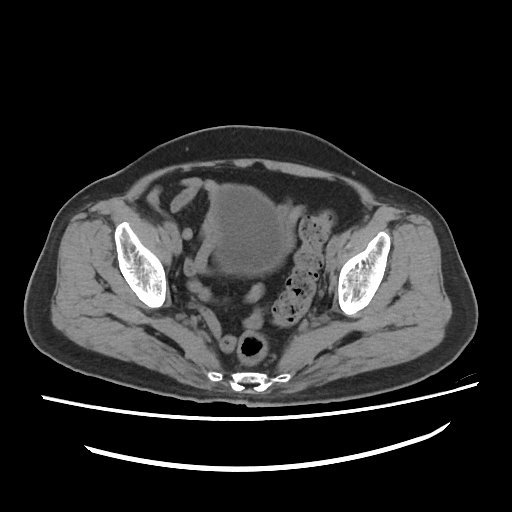

Computed tomography, abdomen; axial view; Aquilion ONE scanner; 14 organs annotated in this scan (that count is for the whole scan; organs this slice misses have no box)
Bounding boxes in pixels, one row per box: x1, y1 is the top-left corner and x2, y2 the bottom-right.
| organ | x1 | y1 | x2 | y2 |
|---|---|---|---|---|
| bladder | 211 | 186 | 282 | 274 |